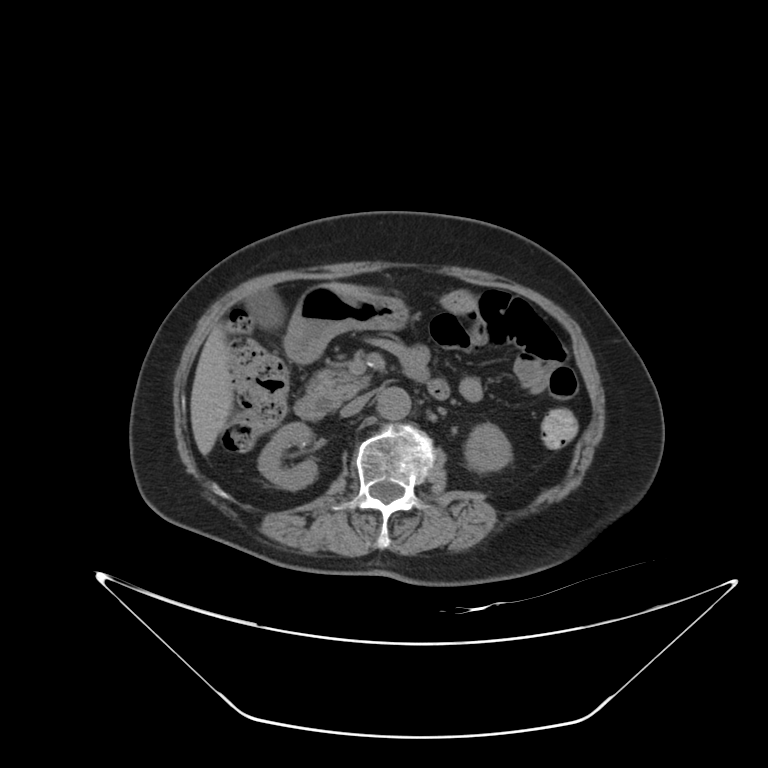 CT abdomen; axial plane, index 57; 78-year-old female patient; acquired on Brilliance16
Boxes are (x1, y1, x2, y2) in pixels. The annotated organs in this slice are: inferior vena cava at (341, 392, 371, 417), pancreas at (308, 365, 371, 401), stomach at (285, 285, 408, 361), liver at (190, 282, 373, 455), right kidney at (258, 423, 317, 489), gall bladder at (246, 289, 284, 329), left kidney at (465, 424, 512, 471), aorta at (377, 388, 411, 419), duodenum at (294, 380, 448, 419).